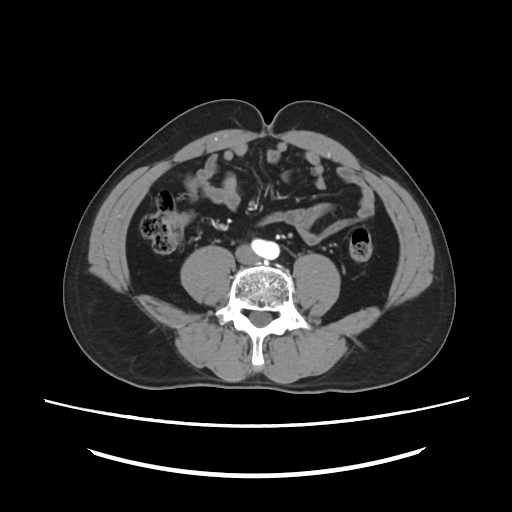 CT abdomen; Axial slice 51/134; 46-year-old male patient; Aquilion ONE scanner
Boxes are (x1, y1, x2, y2) in pixels. The annotated organs in this slice are: inferior vena cava at (236, 245, 259, 264).